CT abdomen — axial view — abdomen soft-tissue window — 58-year-old female patient
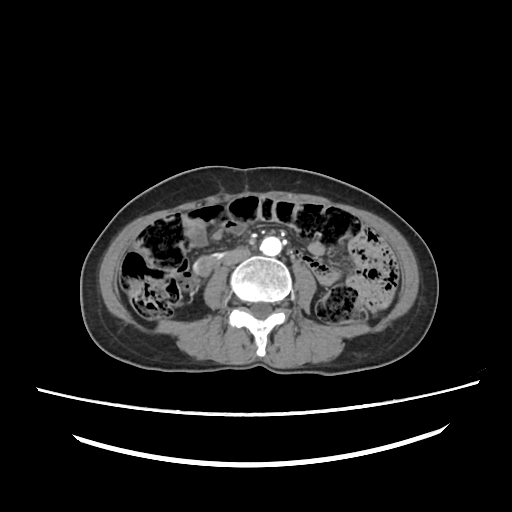

Coordinates as <box>x1,y1,x2,y2</box> in pixels.
aorta: <box>261,236,283,256</box>
inferior vena cava: <box>221,249,250,266</box>